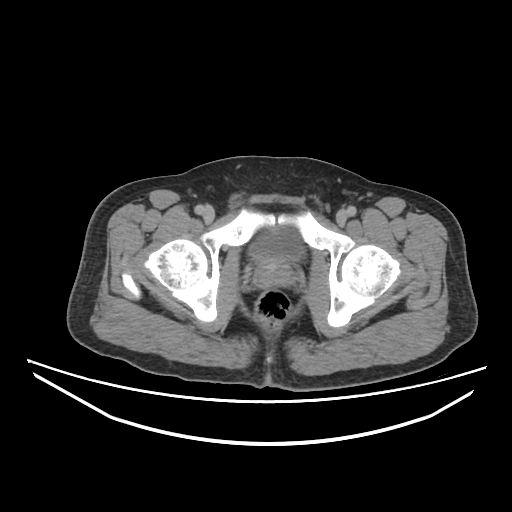

CT abdomen — axial view — Aquilion ONE scanner
{"organs":{"bladder":[248,226,305,264],"prostate/uterus":[254,265,293,288]}}